CT, abdomen/pelvis — axial view — 768x768 px — 39-year-old female patient
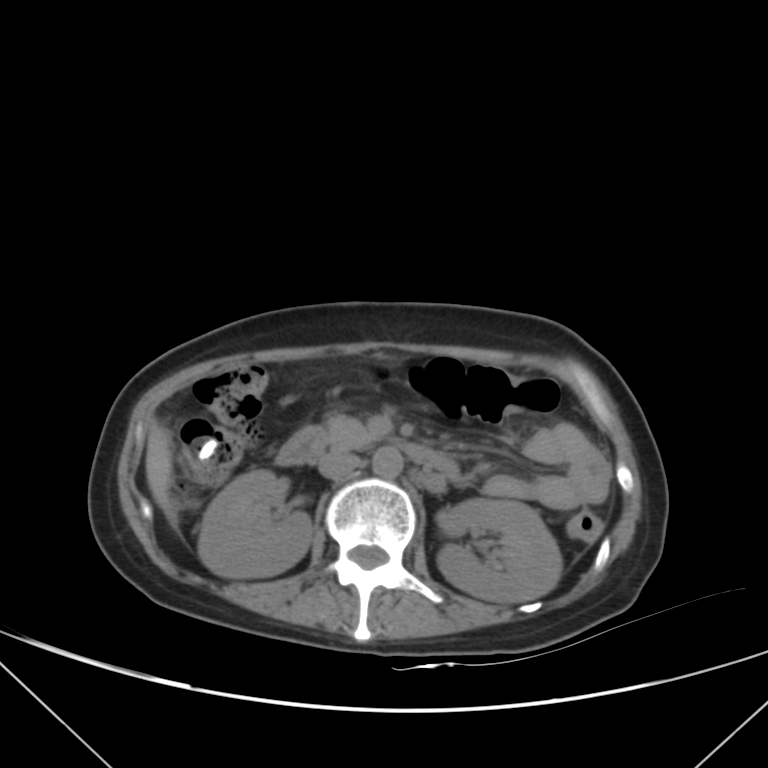
Boxes: x1:y1:x2:y2 in pixels.
pancreas: 321:414:376:451
aorta: 372:447:403:478
liver: 145:423:173:517
duodenum: 276:428:459:479
right kidney: 198:470:312:578
left kidney: 436:499:562:601
inferior vena cava: 318:452:361:478